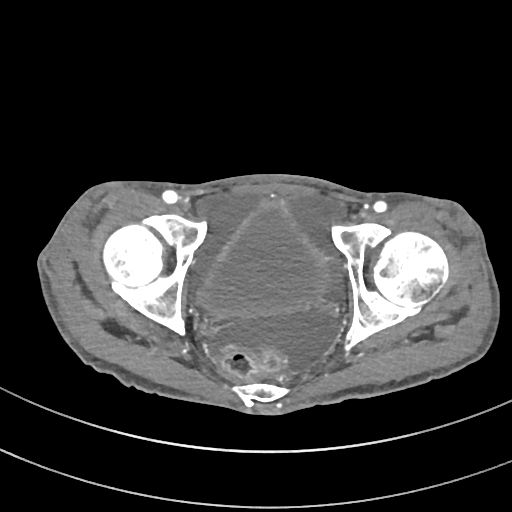
Abdominal CT — axial plane, index 21 — W/L 400/40 HU — acquired on SOMATOM Force
Bounding boxes as [x1, y1, x2, y2] in pixel coordinates.
bladder: [200, 203, 330, 314]